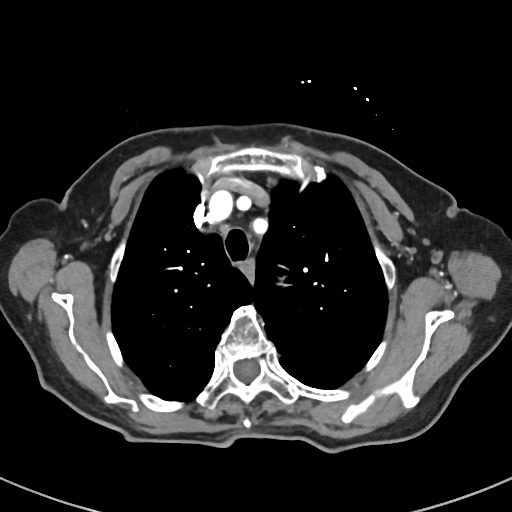
Chest-level CT slice, above the liver and spleen — axial plane, index 248 — soft-tissue window (W 400 / L 40)
At this level of the chest this dataset labels only the esophagus and the aorta, and each is boxed only where it is labeled; the heart and lungs are never labeled. Bounding boxes as [x1, y1, x2, y2] in pixel coordinates. Labeled organs on this slice: esophagus at [238, 260, 255, 283].